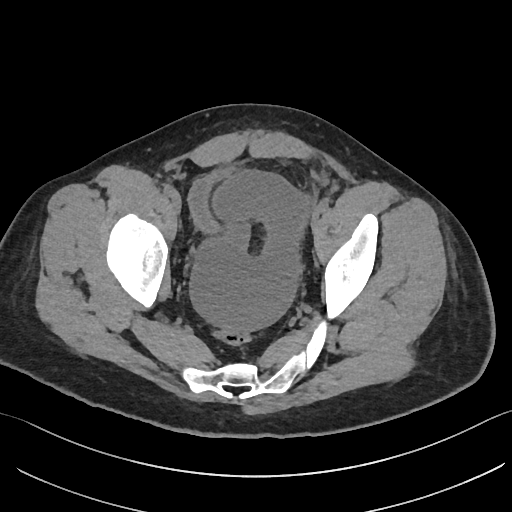 CT, abdomen/pelvis. axial plane, index 40. 512x512 px. SOMATOM Force scanner. scan has 15 labeled organs (a whole-scan count: organs this slice does not pass through have no box)
{"organs":{"bladder":[188,167,237,232]}}